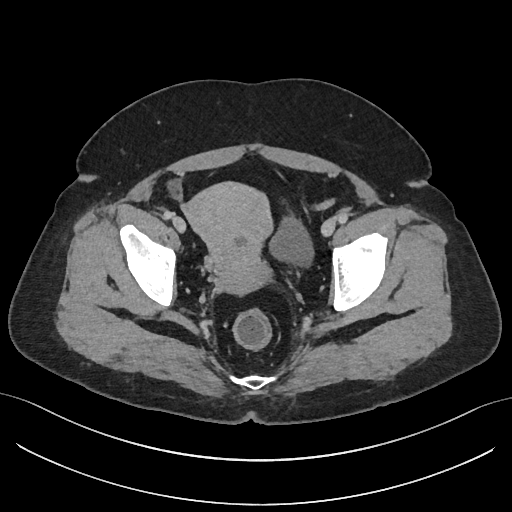
Abdominal CT · axial plane, index 45 · abdomen soft-tissue window · 512x512 px
One row per box, in pixels: columns x1 and y1 give the top-left corner, x2 and y2 the bottom-right.
| organ | x1 | y1 | x2 | y2 |
|---|---|---|---|---|
| bladder | 269 | 217 | 311 | 263 |
| prostate/uterus | 185 | 181 | 272 | 292 |